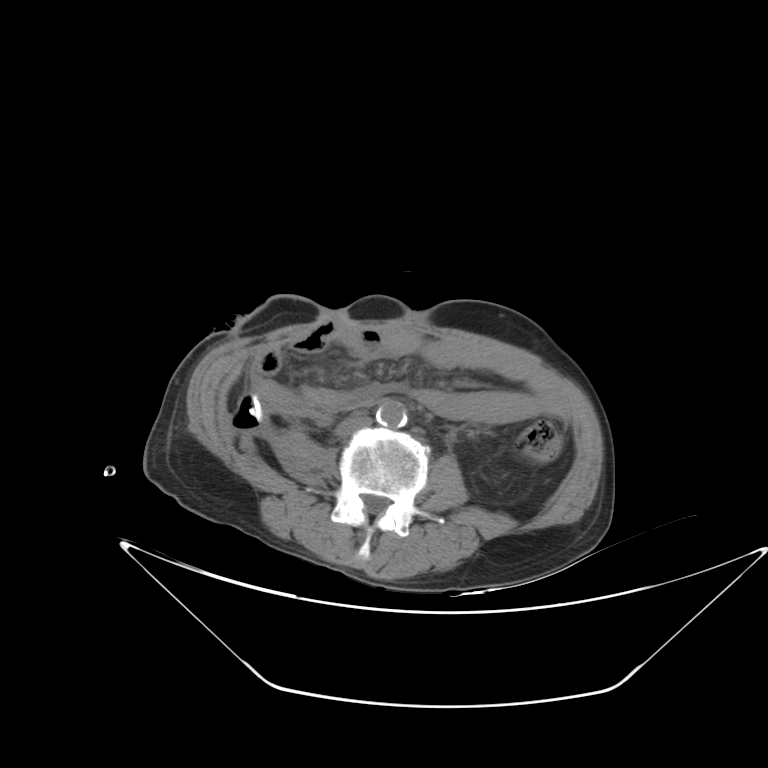

Computed tomography, abdomen. axial view. W/L 400/40 HU. 56-year-old male patient. scan has 14 labeled organs (that count is for the whole scan; organs this slice misses have no box)
Boxes: x1:y1:x2:y2 in pixels.
aorta: 376:398:407:428
inferior vena cava: 337:412:372:436